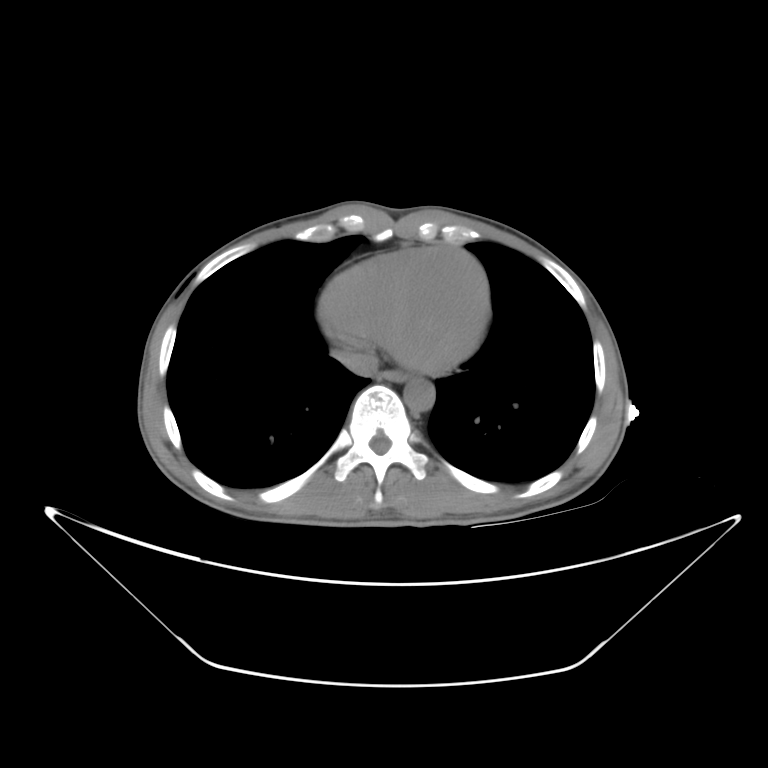
CT of the abdomen reaching into the lower chest, slice just above the liver and spleen; axial view; soft-tissue window; 33-year-old male patient; Brilliance16 scanner; scan has 15 labeled organs (a whole-scan count: organs this slice does not pass through have no box)
No part of the heart or lungs is labeled in this dataset, so neither has a box here.
<organs><organ name="esophagus" x1="375" y1="371" x2="413" y2="381"/><organ name="inferior vena cava" x1="337" y1="347" x2="376" y2="376"/><organ name="aorta" x1="404" y1="378" x2="434" y2="409"/></organs>